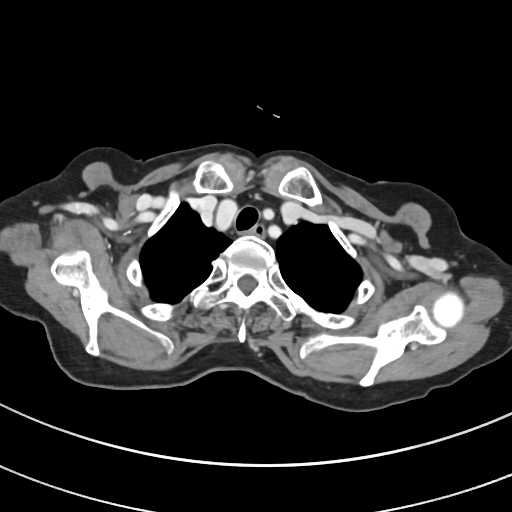

Chest-level slice from an abdominal CT that extends up into the chest · axial plane, index 267
At this level of the chest this dataset labels only the esophagus and the aorta, and each is boxed only where it is labeled; the heart and lungs are never labeled.
Bounding boxes in pixels, one row per box: x1, y1 is the top-left corner and x2, y2 the bottom-right.
| organ | x1 | y1 | x2 | y2 |
|---|---|---|---|---|
| esophagus | 250 | 223 | 266 | 237 |